CT abdomen — axial view — soft-tissue window — 512x512 px — SOMATOM Force scanner — scan has 15 labeled organs (counted over the whole 3D scan, not this slice; an organ is boxed only where this slice passes through it)
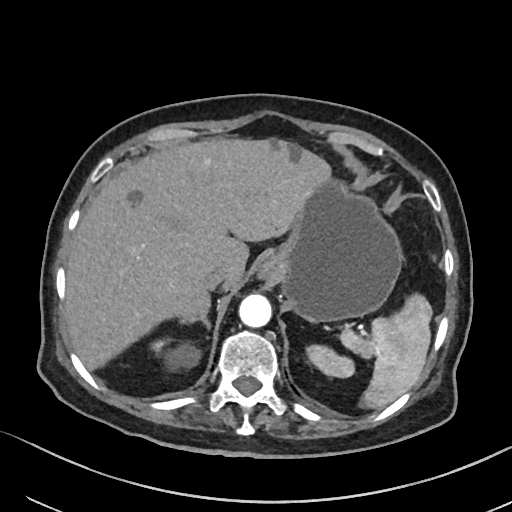 {"organs":{"spleen":[340,295,432,408],"right kidney":[152,341,201,368],"left kidney":[305,345,355,377],"liver":[64,137,331,369],"stomach":[261,176,404,322],"aorta":[239,293,271,326],"inferior vena cava":[203,265,229,290],"right adrenal gland":[183,299,211,328]}}